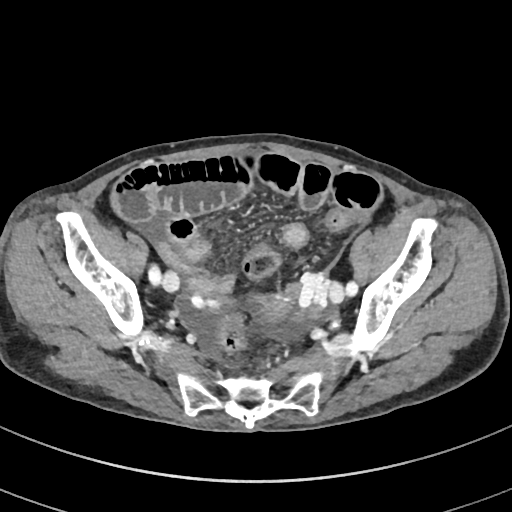 CT, abdomen/pelvis. Axial slice 45/198. 512x512 px
Boxes are (x1, y1, x2, y2) in pixels.
prostate/uterus: (251, 294, 293, 324)